CT of the abdomen extending into the chest, slice through the chest; axial view; soft-tissue window (W 400 / L 40); 15 organs annotated in this scan (counted over the whole 3D scan, not this slice; an organ is boxed only where this slice passes through it)
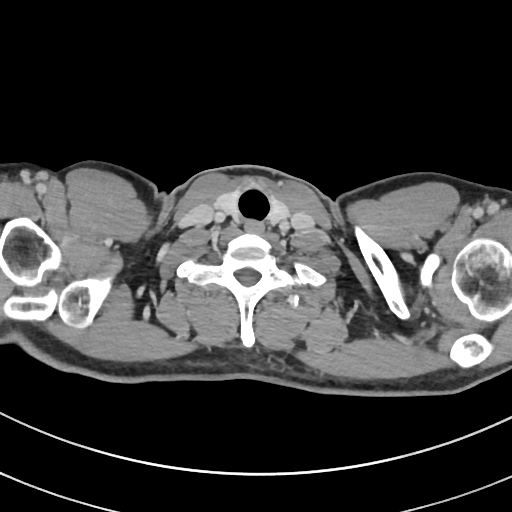 On a slice this high in the chest, this dataset labels only the esophagus and the aorta, and each is boxed only where it is labeled; the heart, lungs and other chest structures are not labeled.
<organs><organ name="esophagus" x1="244" y1="221" x2="263" y2="233"/></organs>